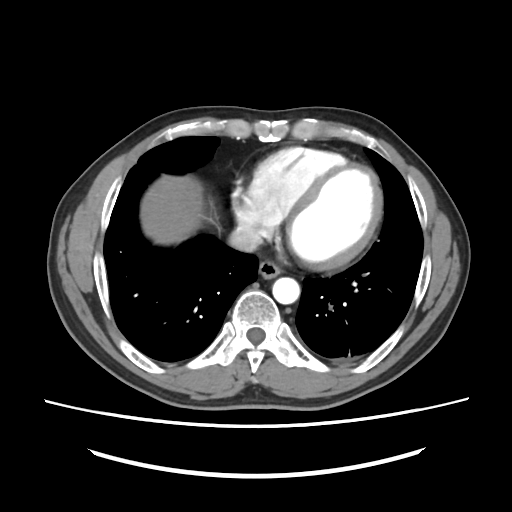

CT abdomen · Axial slice 96/134 · W/L 400/40 HU · 512x512 px
Bounding boxes in pixels, one row per box: x1, y1 is the top-left corner and x2, y2 the bottom-right.
| organ | x1 | y1 | x2 | y2 |
|---|---|---|---|---|
| esophagus | 258 | 260 | 280 | 278 |
| liver | 140 | 175 | 203 | 244 |
| aorta | 272 | 277 | 299 | 304 |
| inferior vena cava | 228 | 225 | 262 | 252 |